CT, abdomen/pelvis — axial view — 512x512 px
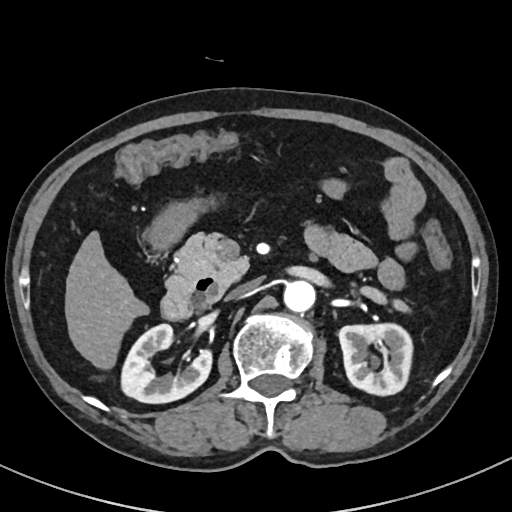 <organs><organ name="right kidney" x1="120" y1="323" x2="211" y2="403"/><organ name="left kidney" x1="338" y1="323" x2="412" y2="395"/><organ name="liver" x1="65" y1="231" x2="148" y2="369"/><organ name="stomach" x1="146" y1="203" x2="197" y2="248"/><organ name="aorta" x1="284" y1="280" x2="315" y2="312"/><organ name="inferior vena cava" x1="226" y1="280" x2="257" y2="299"/><organ name="pancreas" x1="166" y1="233" x2="407" y2="310"/><organ name="duodenum" x1="161" y1="278" x2="222" y2="320"/></organs>